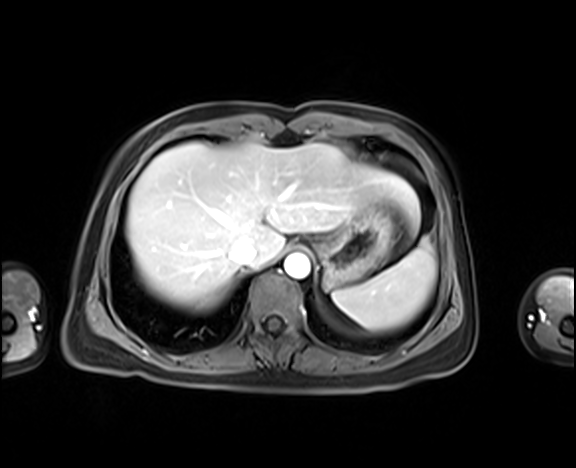

Abdominal MRI; axial view; 1st–99th percentile window
<organs><organ name="spleen" x1="332" y1="238" x2="436" y2="331"/><organ name="liver" x1="126" y1="142" x2="420" y2="311"/><organ name="stomach" x1="315" y1="197" x2="395" y2="289"/><organ name="aorta" x1="284" y1="253" x2="310" y2="278"/><organ name="inferior vena cava" x1="230" y1="242" x2="256" y2="265"/></organs>